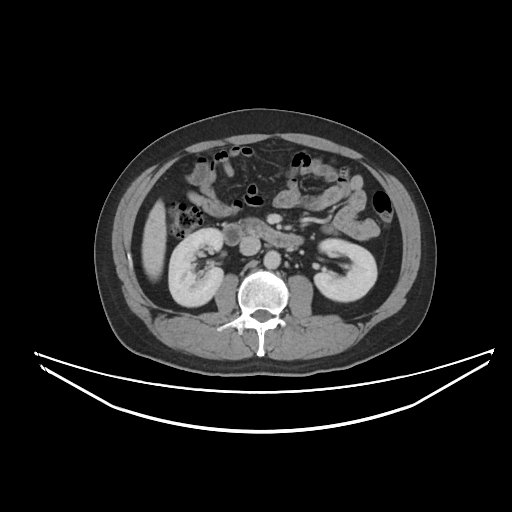

Abdominal CT — Axial slice 58/131 — 512x512 px — 40-year-old male patient
Bounding boxes in pixels, one row per box: x1, y1 is the top-left corner and x2, y2 the bottom-right.
| organ | x1 | y1 | x2 | y2 |
|---|---|---|---|---|
| right kidney | 168 | 228 | 223 | 306 |
| left kidney | 314 | 238 | 376 | 301 |
| liver | 142 | 199 | 166 | 279 |
| aorta | 263 | 250 | 280 | 268 |
| inferior vena cava | 239 | 236 | 260 | 255 |
| pancreas | 243 | 218 | 255 | 224 |
| duodenum | 222 | 220 | 303 | 248 |